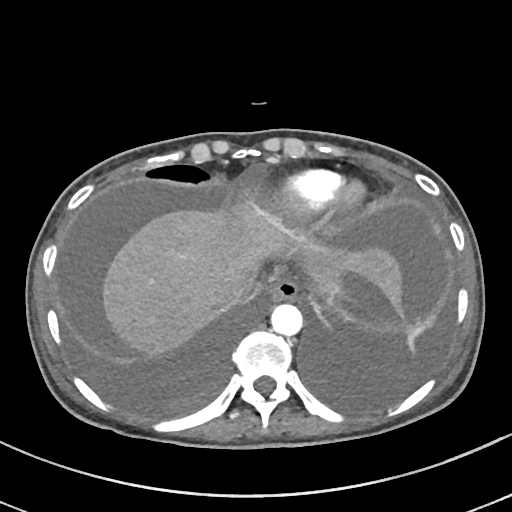 CT abdomen — axial view — soft-tissue window — 512x512 px
Bounding boxes as [x1, y1, x2, y2] in pixel coordinates.
Organ bounding boxes:
- esophagus: [269, 278, 298, 300]
- liver: [102, 206, 401, 357]
- stomach: [325, 282, 349, 312]
- aorta: [270, 303, 302, 335]
- inferior vena cava: [226, 278, 256, 306]